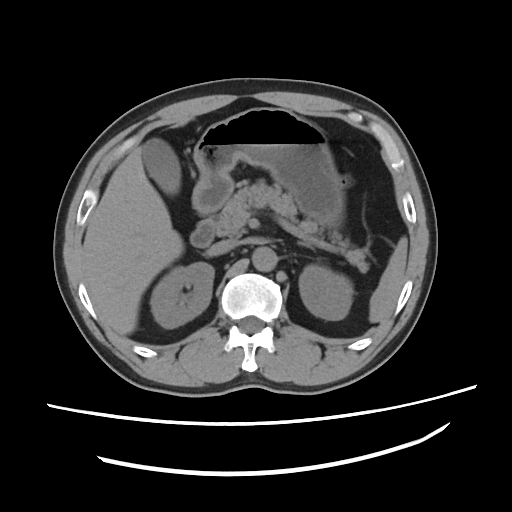
Computed tomography, abdomen. axial view. 512x512 px. 45-year-old male patient. acquired on Aquilion ONE
<organs><organ name="spleen" x1="370" y1="238" x2="407" y2="322"/><organ name="right kidney" x1="149" y1="261" x2="214" y2="327"/><organ name="left kidney" x1="299" y1="266" x2="353" y2="320"/><organ name="gall bladder" x1="143" y1="138" x2="179" y2="193"/><organ name="liver" x1="82" y1="145" x2="183" y2="335"/><organ name="stomach" x1="191" y1="106" x2="343" y2="226"/><organ name="aorta" x1="253" y1="246" x2="279" y2="272"/><organ name="inferior vena cava" x1="218" y1="240" x2="238" y2="253"/><organ name="pancreas" x1="212" y1="181" x2="369" y2="272"/><organ name="left adrenal gland" x1="297" y1="240" x2="315" y2="249"/><organ name="duodenum" x1="191" y1="219" x2="214" y2="249"/></organs>